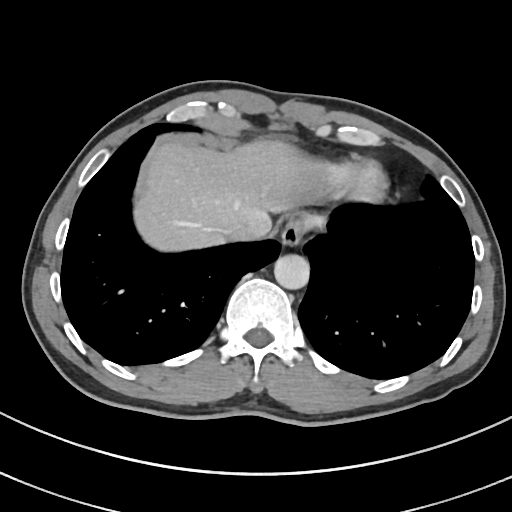

Computed tomography, abdomen — axial view — soft-tissue window (W 400 / L 40)
{"organs":{"esophagus":[280,215,308,245],"liver":[134,140,321,253],"stomach":[299,214,321,230],"aorta":[273,253,309,288],"inferior vena cava":[219,223,245,234]}}